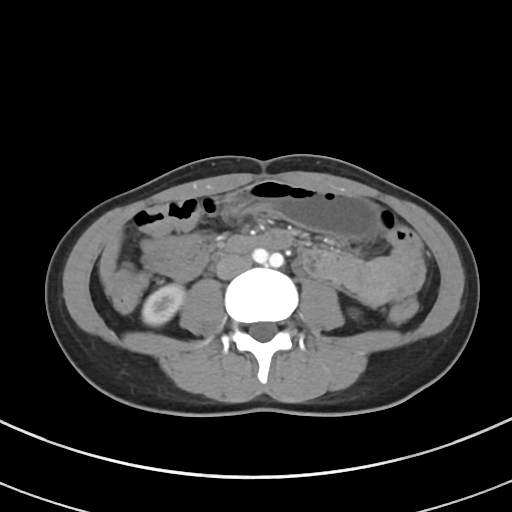 Computed tomography, abdomen — axial view — 512x512 px
Organ boxes in pixel coordinates; each row gives the top-left (x1, y1) and bottom-right (x2, y2) corners.
| organ | x1 | y1 | x2 | y2 |
|---|---|---|---|---|
| inferior vena cava | 216 | 254 | 251 | 279 |
| right kidney | 142 | 284 | 184 | 325 |
| stomach | 224 | 179 | 377 | 239 |
| liver | 100 | 231 | 121 | 285 |